Abdominal CT — axial plane, index 37 — soft-tissue window — 512x512 px
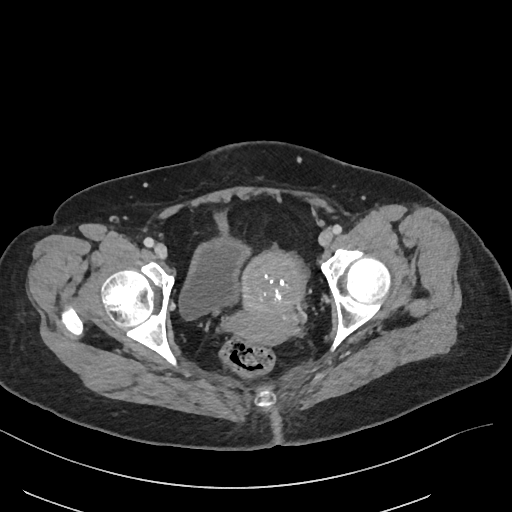

Boxes are (x1, y1, x2, y2) in pixels.
prostate/uterus: (229, 249, 305, 345)
bladder: (180, 210, 246, 318)